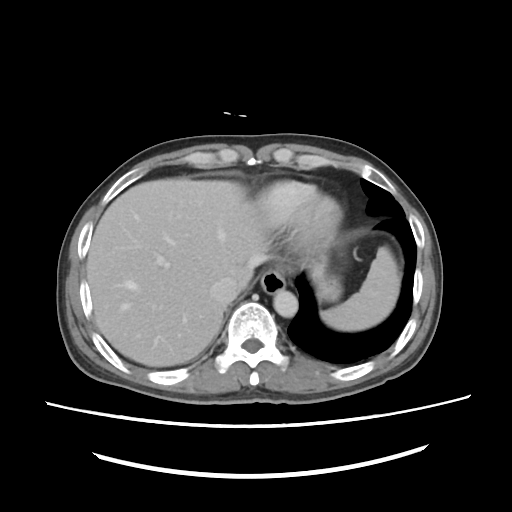
Abdominal CT · axial view · soft-tissue window
<organs><organ name="spleen" x1="320" y1="247" x2="398" y2="329"/><organ name="esophagus" x1="261" y1="269" x2="287" y2="293"/><organ name="liver" x1="86" y1="178" x2="266" y2="367"/><organ name="stomach" x1="318" y1="272" x2="341" y2="301"/><organ name="aorta" x1="272" y1="290" x2="298" y2="317"/><organ name="inferior vena cava" x1="211" y1="276" x2="239" y2="302"/></organs>